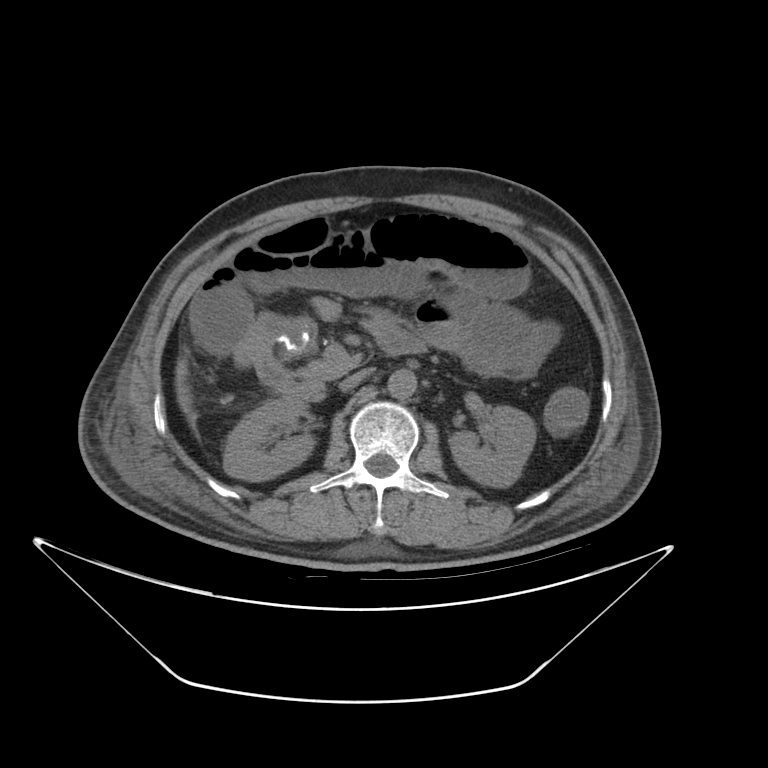

CT abdomen. axial view
Box edges are left/top/right/bottom in pixels. The annotated organs in this slice are: inferior vena cava at left=342, top=371, right=368, bottom=392, left kidney at left=449, top=406, right=534, bottom=486, liver at left=174, top=349, right=199, bottom=438, pancreas at left=300, top=355, right=357, bottom=382, aorta at left=385, top=369, right=418, bottom=399, duodenum at left=281, top=321, right=430, bottom=404, right kidney at left=224, top=397, right=313, bottom=477.